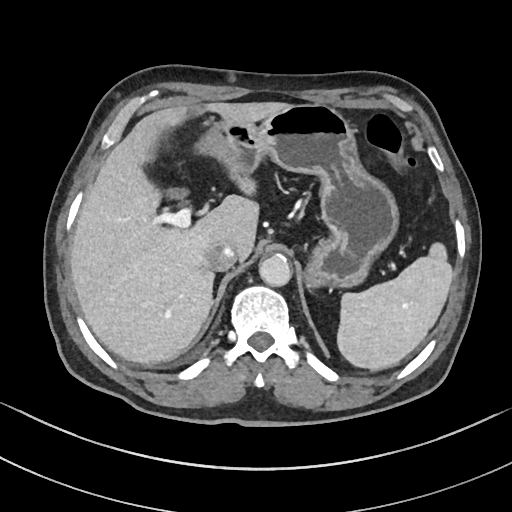 Abdominal CT. axial view. soft-tissue window. acquired on SOMATOM Force
Boxes: x1 y1 x2 y2 (pixel coords, space-separated).
aorta: 258 254 291 285
gall bladder: 166 187 187 200
liver: 70 102 285 363
spleen: 337 242 453 371
stomach: 195 104 396 287
inferior vena cava: 205 241 236 271